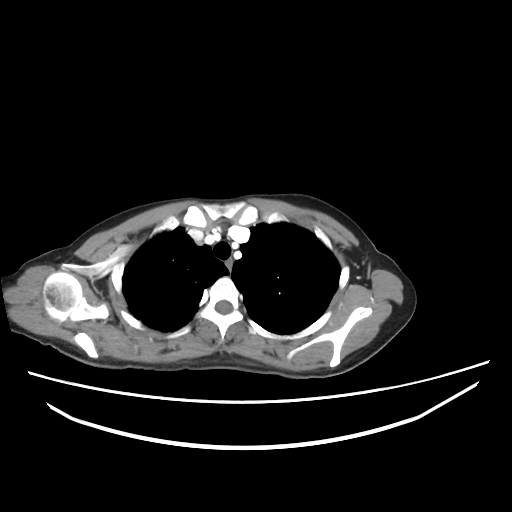
CT of the abdomen extending into the chest, slice through the chest; axial plane, index 105; scan has 15 labeled organs (that count is for the whole scan; organs this slice misses have no box)
At this level of the chest this dataset labels only the esophagus and the aorta, and each is boxed only where it is labeled; the heart and lungs are never labeled.
<organs><organ name="esophagus" x1="226" y1="257" x2="231" y2="269"/></organs>